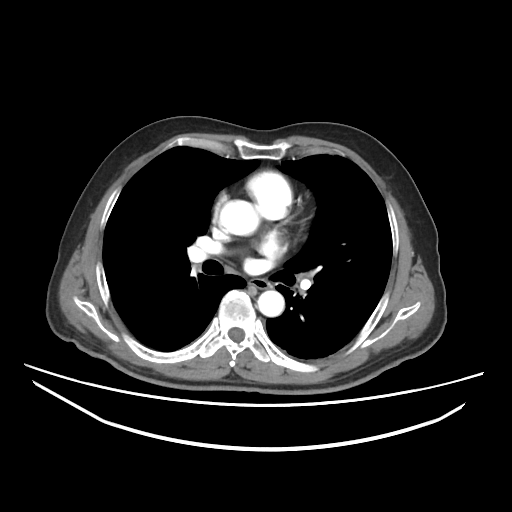 Abdominal CT reaching into the chest; this slice is in the chest — axial view — W/L 400/40 HU — 512x512 px — acquired on Aquilion ONE
At this level of the chest this dataset labels only the esophagus and the aorta, and each is boxed only where it is labeled; the heart and lungs are never labeled.
<organs><organ name="esophagus" x1="252" y1="279" x2="268" y2="288"/><organ name="aorta" x1="219" y1="200" x2="259" y2="235"/><organ name="aorta" x1="257" y1="290" x2="284" y2="316"/></organs>